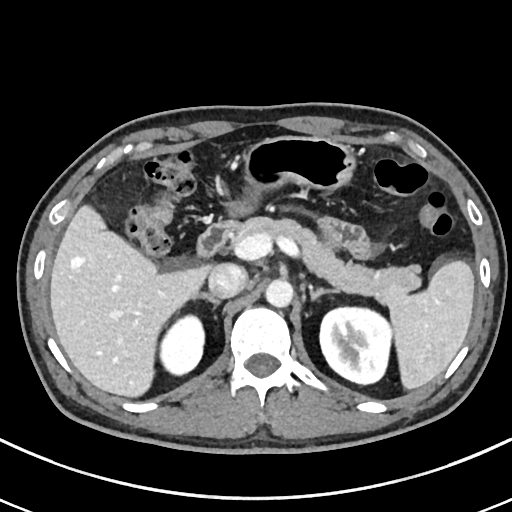

CT abdomen; axial view; acquired on SOMATOM Force; scan has 15 labeled organs (that count is for the whole scan; organs this slice misses have no box)
Each box given as x1,y1,x2,y2.
spleen: x1=388, y1=262, x2=474, y2=389
right kidney: x1=160, y1=314, x2=205, y2=376
left kidney: x1=320, y1=305, x2=392, y2=384
liver: x1=50, y1=207, x2=213, y2=396
stomach: x1=228, y1=136, x2=352, y2=216
aorta: x1=265, y1=278, x2=293, y2=307
inferior vena cava: x1=208, y1=263, x2=247, y2=296
pancreas: x1=228, y1=216, x2=421, y2=306
right adrenal gland: x1=190, y1=291, x2=219, y2=303
left adrenal gland: x1=311, y1=287, x2=340, y2=300
duodenum: x1=195, y1=222, x2=229, y2=260